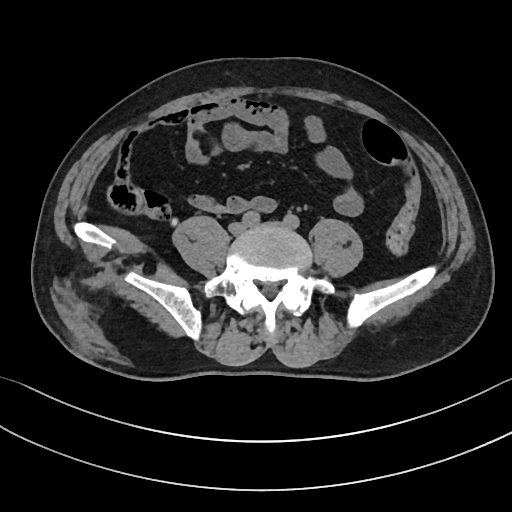 CT, abdomen/pelvis · axial plane, index 88 · acquired on SOMATOM Force
Boxes: x1:y1:x2:y2 in pixels.
Organ bounding boxes:
- aorta: 250:213:253:216